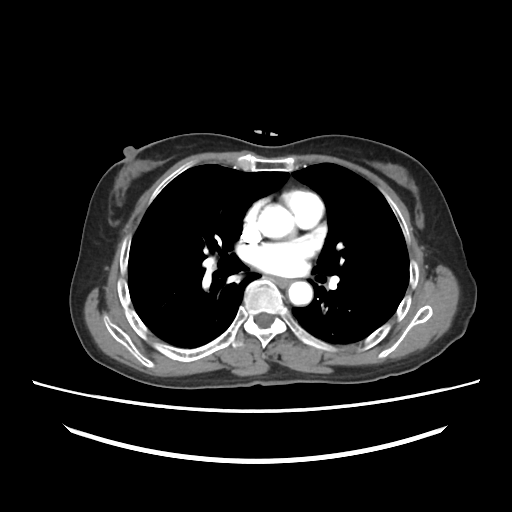

Abdominal CT; this slice is in the lower chest, just above the liver · axial view · soft-tissue window, W/L 400/40 · 62-year-old female patient
The heart and lungs are never labeled in this dataset, so they have no box on this slice.
Organ boxes in pixel coordinates; each row gives the top-left (x1, y1) and bottom-right (x2, y2) corners.
| organ | x1 | y1 | x2 | y2 |
|---|---|---|---|---|
| esophagus | 272 | 277 | 291 | 287 |
| aorta | 257 | 204 | 293 | 238 |
| aorta | 288 | 281 | 312 | 305 |